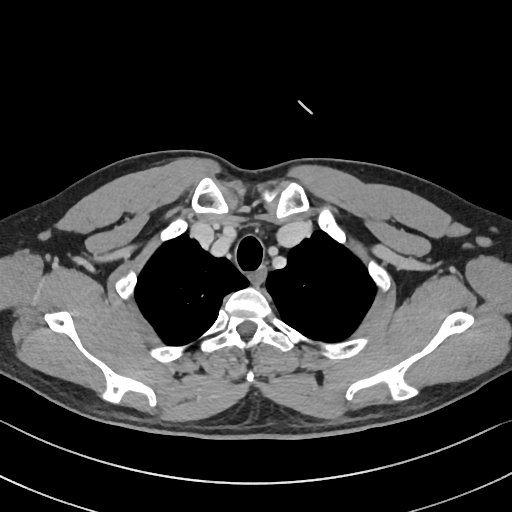
Chest-level CT slice, above the liver and spleen · axial view · 512x512 px
At this level of the chest no structure but the esophagus and the aorta has a label in this dataset, and those two are boxed only where they are labeled.
{"organs":{"esophagus":[249,265,266,286]}}